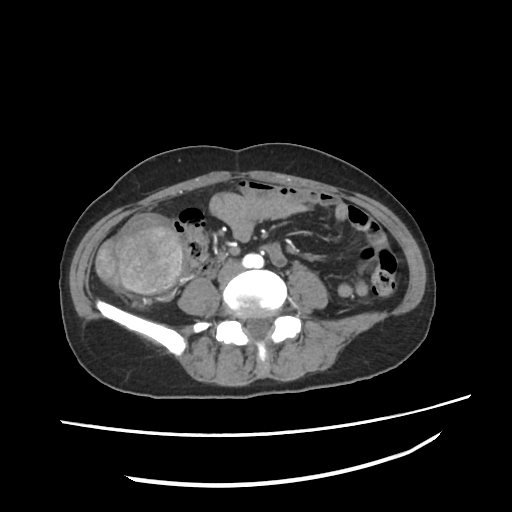
CT, abdomen/pelvis — axial view — 512x512 px
{"organs":{"aorta":[241,251,263,269],"inferior vena cava":[217,259,243,284]}}